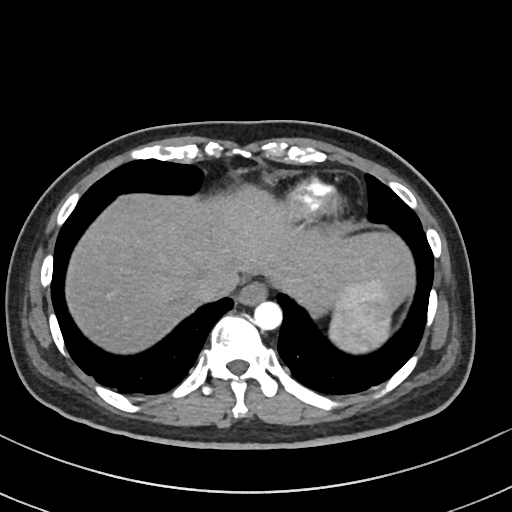 CT abdomen · axial plane, index 181
<organs><organ name="spleen" x1="329" y1="279" x2="394" y2="353"/><organ name="esophagus" x1="236" y1="283" x2="265" y2="305"/><organ name="liver" x1="64" y1="187" x2="416" y2="351"/><organ name="aorta" x1="254" y1="301" x2="282" y2="330"/><organ name="inferior vena cava" x1="187" y1="272" x2="236" y2="301"/></organs>